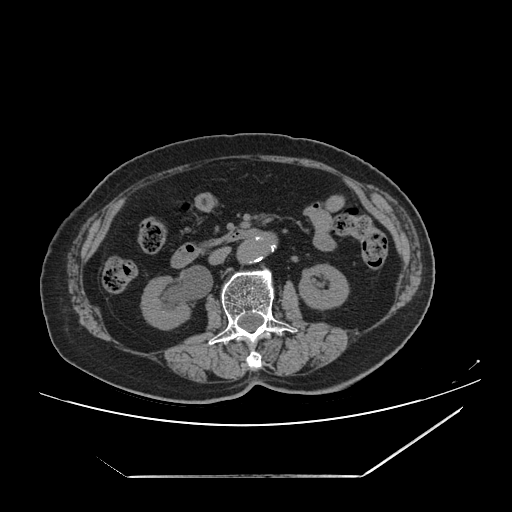 Abdominal CT — axial view — abdomen soft-tissue window
{"organs":{"right kidney":[140,276,192,330],"left kidney":[298,263,351,310],"aorta":[235,240,270,265],"inferior vena cava":[207,247,230,265],"pancreas":[198,234,228,250],"duodenum":[169,228,268,268]}}